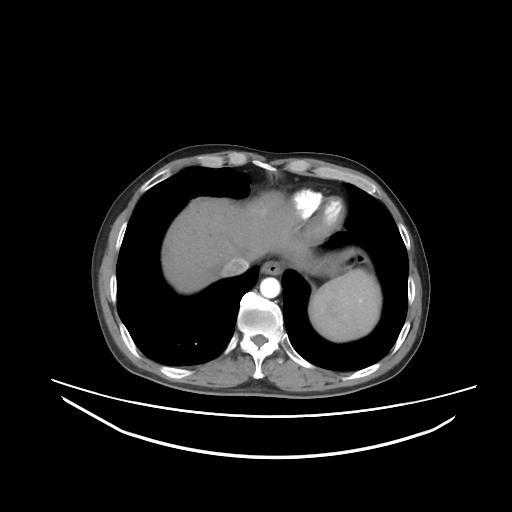
CT abdomen. axial view. soft-tissue window (W 400 / L 40). 512x512 px
Boxes: x1:y1:x2:y2 in pixels.
spleen: 309:268:381:341
esophagus: 261:260:283:274
liver: 162:191:319:293
stomach: 325:250:354:273
aorta: 260:277:280:298
inferior vena cava: 221:256:249:276